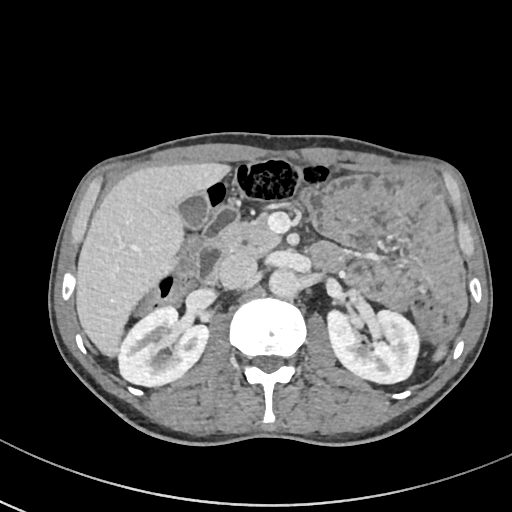

CT, abdomen/pelvis — axial view — SOMATOM Force scanner — scan has 15 labeled organs (that count is for the whole scan; organs this slice misses have no box)
{"organs":{"spleen":[434,346,445,360],"right kidney":[118,306,209,386],"left kidney":[327,310,419,383],"gall bladder":[177,192,209,228],"liver":[76,162,230,357],"aorta":[269,268,300,298],"inferior vena cava":[217,252,256,289],"pancreas":[220,212,280,256],"duodenum":[192,207,239,283]}}